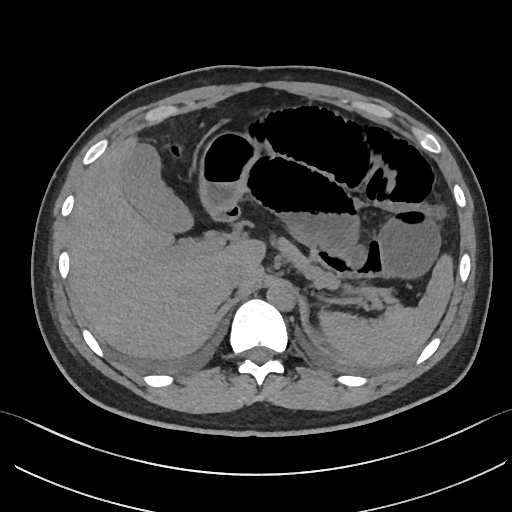 Abdominal CT. axial view. W/L 400/40 HU. 512x512 px
Bounding boxes as [x1, y1, x2, y2] in pixel coordinates. The annotated organs in this slice are: spleen at [318, 256, 453, 366], gall bladder at [122, 143, 195, 233], liver at [68, 138, 263, 361], stomach at [201, 133, 258, 211], aorta at [266, 285, 294, 310], inferior vena cava at [223, 265, 246, 289], pancreas at [268, 232, 386, 303], duodenum at [210, 205, 241, 223].